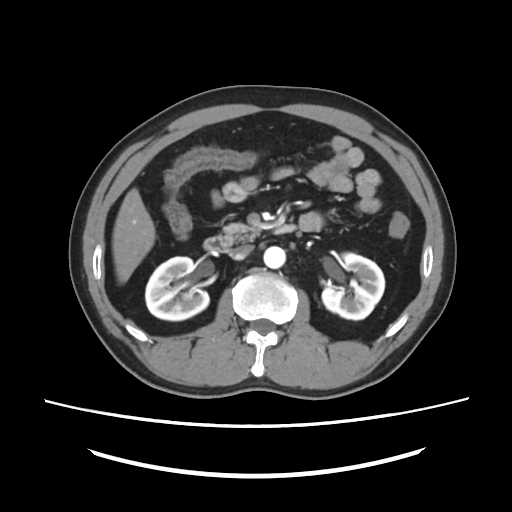
Computed tomography, abdomen · Axial slice 70/134 · soft-tissue window (W 400 / L 40) · 46-year-old male patient
{"organs":{"right kidney":[145,256,209,320],"left kidney":[322,253,384,319],"liver":[112,188,155,283],"aorta":[263,246,285,268],"inferior vena cava":[230,244,253,259],"pancreas":[223,223,260,244],"duodenum":[203,226,293,252]}}